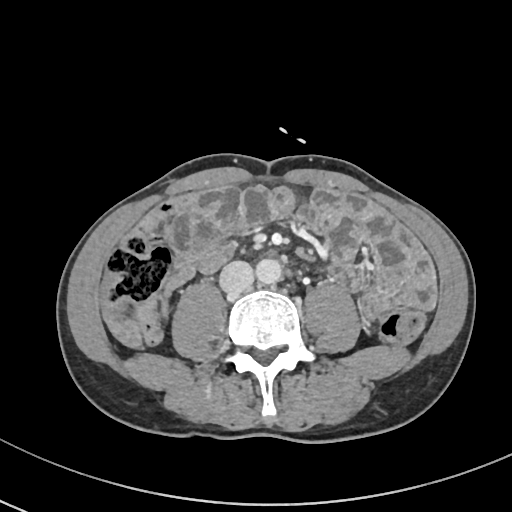 CT, abdomen/pelvis · axial plane, index 115 · 512x512 px · 15 organs annotated in this scan (counted over the whole 3D scan, not this slice; an organ is boxed only where this slice passes through it)
Bounding boxes in pixels, one row per box: x1, y1 is the top-left corner and x2, y2 the bottom-right.
| organ | x1 | y1 | x2 | y2 |
|---|---|---|---|---|
| aorta | 256 | 258 | 283 | 284 |
| inferior vena cava | 220 | 260 | 254 | 292 |